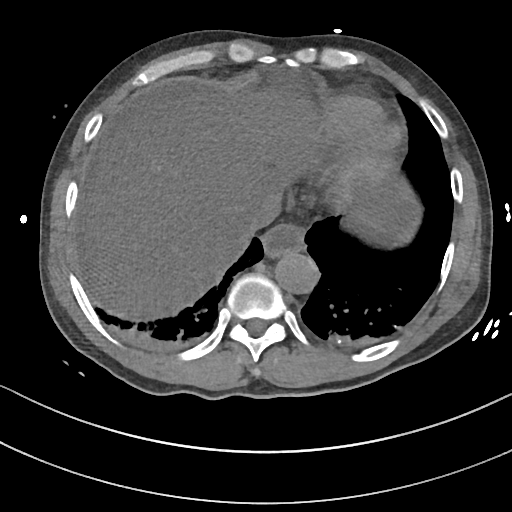
Abdominal CT; axial view; 512x512 px
Coordinates as <box>x1,y1,x2,y2</box> in pixels.
esophagus: <box>262,224,306,258</box>
liver: <box>90,87,412,320</box>
aorta: <box>276,251,320,295</box>
inferior vena cava: <box>233,198,282,240</box>